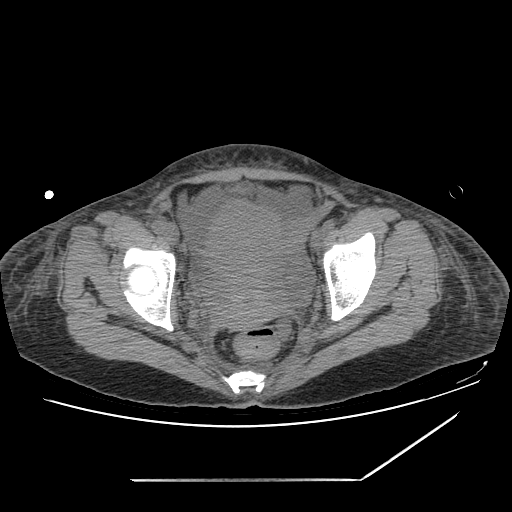

CT abdomen — axial plane, index 27 — 512x512 px
One row per box, in pixels: columns x1 and y1 give the top-left corner, x2 and y2 the bottom-right.
| organ | x1 | y1 | x2 | y2 |
|---|---|---|---|---|
| prostate/uterus | 205 | 200 | 289 | 328 |
| bladder | 230 | 185 | 247 | 196 |